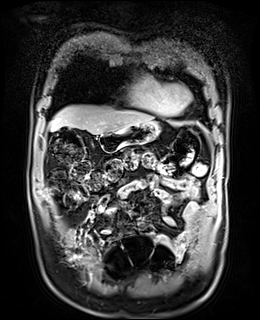

Magnetic resonance imaging, abdomen; Coronal slice 113/144; percentile-normalized; acquired on Prisma
{"organs":{"liver":[50,105,153,134],"stomach":[98,121,160,152]}}